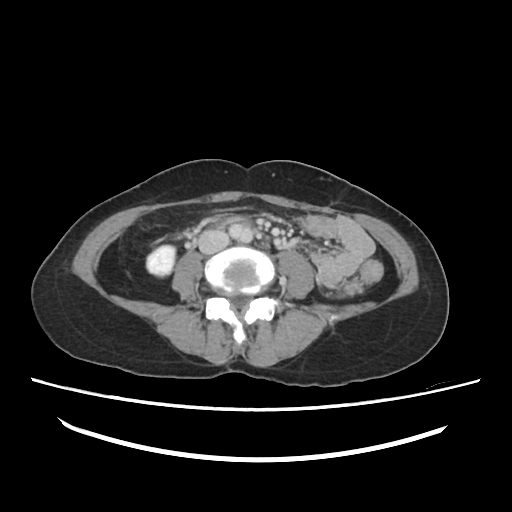 Computed tomography, abdomen. axial view. 512x512 px. acquired on Aquilion ONE
Bounding boxes as [x1, y1, x2, y2] in pixel coordinates. The annotated organs in this slice are: right kidney at [145, 244, 176, 276], aorta at [242, 242, 248, 243], inferior vena cava at [197, 229, 229, 254], duodenum at [205, 216, 249, 228].